Chest-level slice from an abdominal CT that extends up into the chest · axial view · soft-tissue window, W/L 400/40 · 15 organs annotated in this scan (counted over the whole 3D scan, not this slice; an organ is boxed only where this slice passes through it)
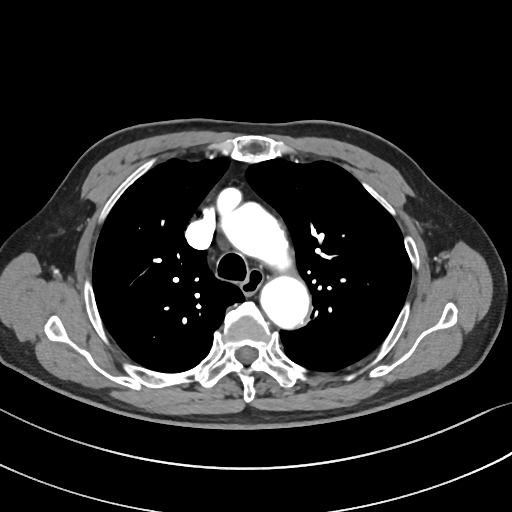

At this level of the chest no structure but the esophagus and the aorta has a label in this dataset, and those two are boxed only where they are labeled.
Box edges are left/top/right/bottom in pixels.
esophagus: left=243, top=271, right=263, bottom=293
aorta: left=217, top=202, right=286, bottom=262
aorta: left=260, top=276, right=309, bottom=330